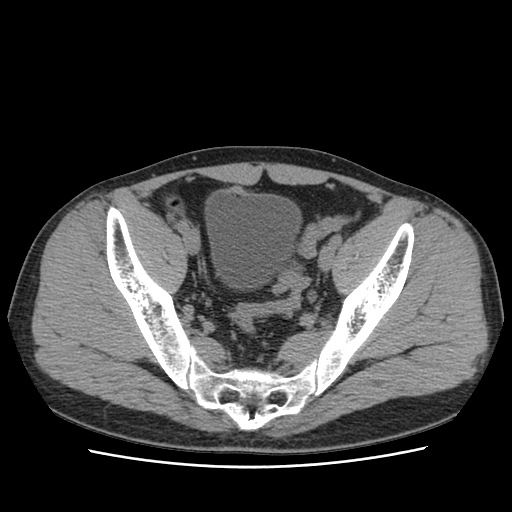 Abdominal CT. axial plane, index 46. W/L 400/40 HU. 512x512 px
Each box given as x1,y1,x2,y2.
bladder: x1=205, y1=189, x2=300, y2=287